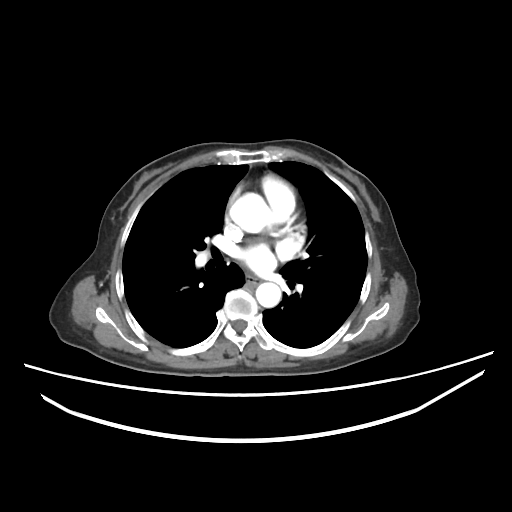

Abdominal CT; this slice is in the lower chest, just above the liver; axial view; 63-year-old female patient
No part of the heart or lungs is labeled in this dataset, so neither has a box here.
Coordinates as <box>x1,y1,x2,y2</box> in pixels.
Organ bounding boxes:
- aorta: <box>230,194,268,232</box>
- aorta: <box>256,281,281,306</box>
- esophagus: <box>245,276,262,285</box>